Computed tomography, abdomen. axial view. abdomen soft-tissue window. 47-year-old male patient
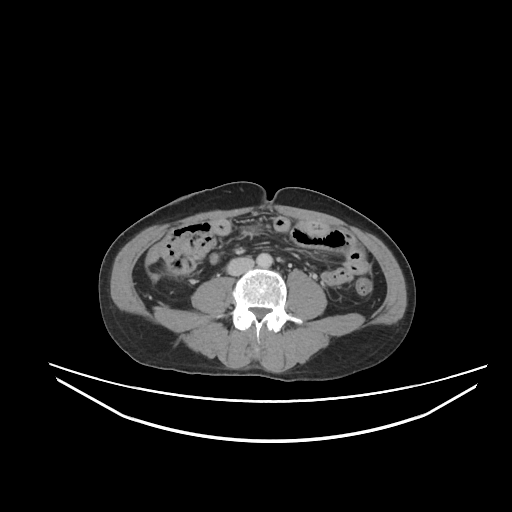
Bounding boxes in pixels, one row per box: x1, y1 is the top-left corner and x2, y2 the bottom-right.
| organ | x1 | y1 | x2 | y2 |
|---|---|---|---|---|
| aorta | 256 | 253 | 272 | 267 |
| inferior vena cava | 227 | 257 | 254 | 275 |